Abdominal CT · axial plane, index 18 · soft-tissue window · 24-year-old male patient · scan has 15 labeled organs (that count is for the whole scan; organs this slice misses have no box)
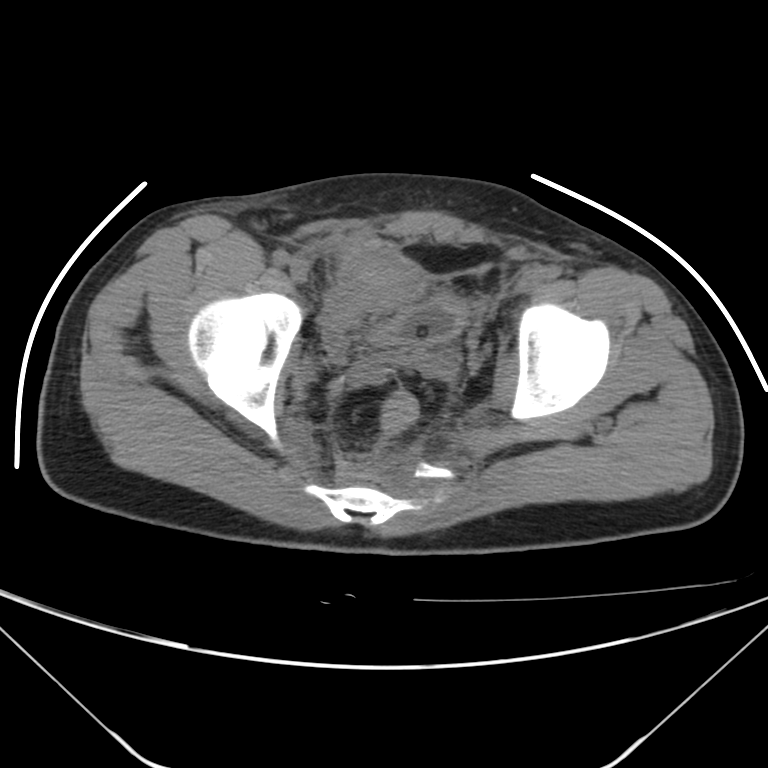
Each box given as x1,y1,x2,y2. 1 labeled organ on this slice — bladder at x1=370, y1=299, x2=465, y2=347.